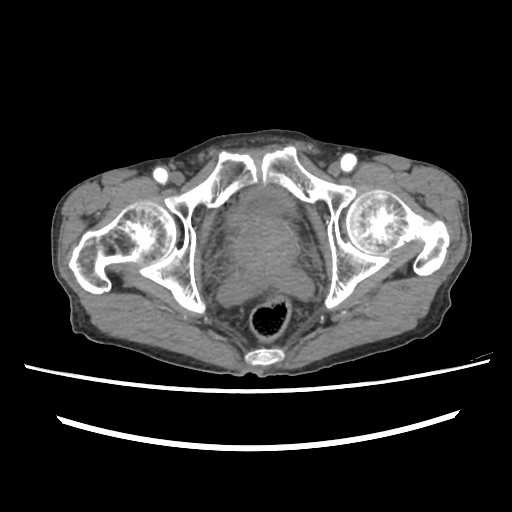 Computed tomography, abdomen · axial view · 81-year-old male patient
{"organs":{"bladder":[228,186,292,223],"prostate/uterus":[229,214,298,278]}}